Chest-level slice from an abdominal CT that extends up into the chest · Axial slice 101/114 · 512x512 px · 43-year-old female patient
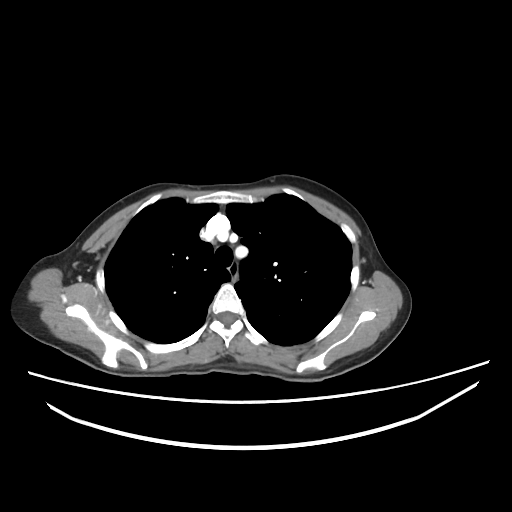 At this level of the chest this dataset labels only the esophagus and the aorta, and each is boxed only where it is labeled; the heart and lungs are never labeled. Box edges are left/top/right/bottom in pixels. 1 labeled organ on this slice — esophagus at left=230, top=268, right=236, bottom=280.